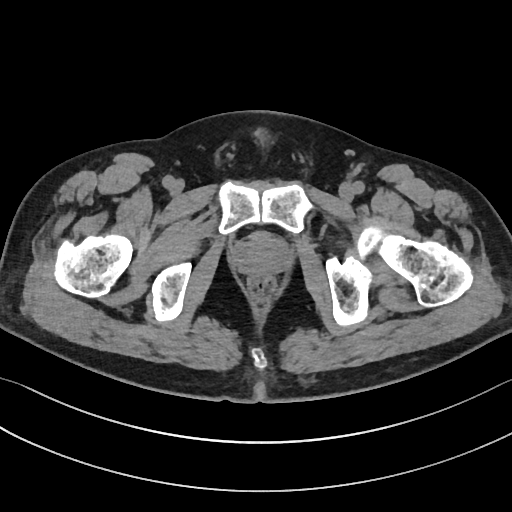

CT, abdomen/pelvis; axial view; acquired on SOMATOM Force; scan has 15 labeled organs (counted over the whole 3D scan, not this slice; an organ is boxed only where this slice passes through it)
<organs><organ name="prostate/uterus" x1="232" y1="231" x2="290" y2="275"/></organs>